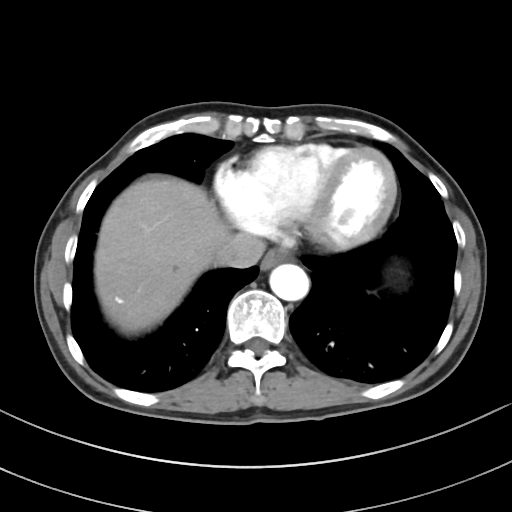
Computed tomography, abdomen. axial view
Boxes: x1:y1:x2:y2 in pixels.
Organ bounding boxes:
- liver: 94:178:230:333
- esophagus: 261:248:290:270
- aorta: 269:264:309:300
- inferior vena cava: 215:233:265:268